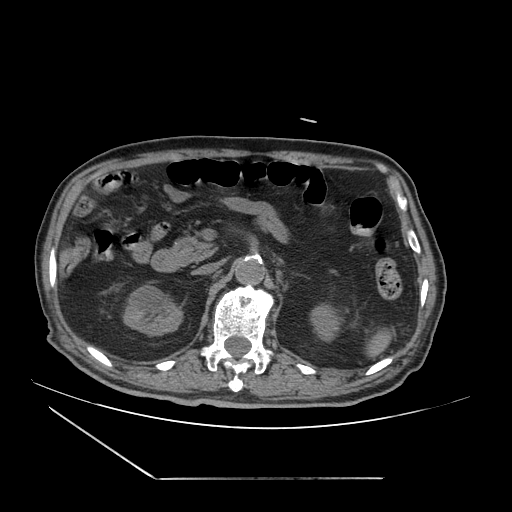
CT, abdomen/pelvis. axial plane, index 129. W/L 400/40 HU
<organs><organ name="pancreas" x1="171" y1="235" x2="218" y2="264"/><organ name="spleen" x1="367" y1="330" x2="390" y2="357"/><organ name="duodenum" x1="150" y1="250" x2="180" y2="272"/><organ name="right kidney" x1="124" y1="284" x2="182" y2="334"/><organ name="left kidney" x1="311" y1="305" x2="338" y2="342"/><organ name="inferior vena cava" x1="192" y1="262" x2="220" y2="275"/><organ name="aorta" x1="234" y1="257" x2="265" y2="286"/></organs>